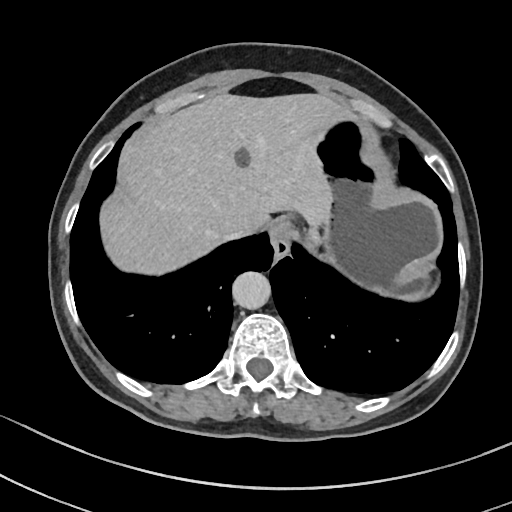

CT abdomen · axial view · W/L 400/40 HU · SOMATOM Force scanner · scan has 15 labeled organs (that count is for the whole scan; organs this slice misses have no box)
Bounding boxes as [x1, y1, x2, y2] in pixel coordinates.
Organ bounding boxes:
- aorta: [232, 271, 270, 309]
- inferior vena cava: [219, 232, 244, 242]
- liver: [98, 93, 349, 273]
- esophagus: [270, 219, 295, 256]
- stomach: [304, 112, 444, 302]